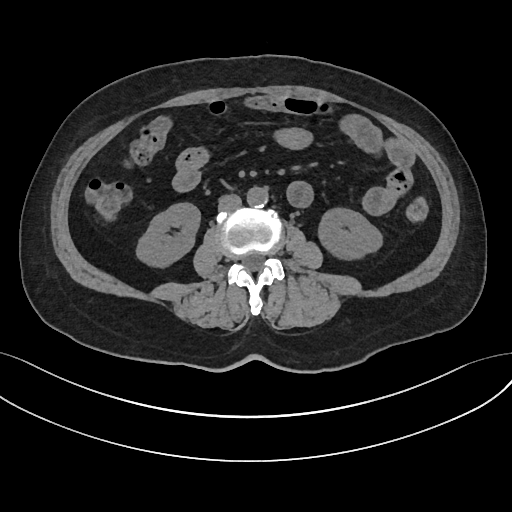
Computed tomography, abdomen — axial view — soft-tissue window
Organ boxes in pixel coordinates; each row gives the top-left (x1, y1) and bottom-right (x2, y2) corners.
| organ | x1 | y1 | x2 | y2 |
|---|---|---|---|---|
| right kidney | 135 | 203 | 200 | 268 |
| left kidney | 317 | 207 | 382 | 260 |
| aorta | 246 | 187 | 267 | 207 |
| inferior vena cava | 218 | 194 | 241 | 212 |